CT abdomen — axial view — W/L 400/40 HU — 512x512 px
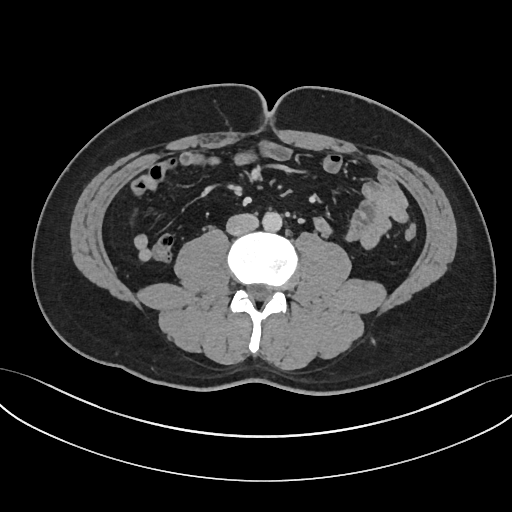
<organs><organ name="aorta" x1="262" y1="211" x2="282" y2="232"/><organ name="inferior vena cava" x1="226" y1="213" x2="258" y2="235"/></organs>